Abdominal CT · axial plane, index 15
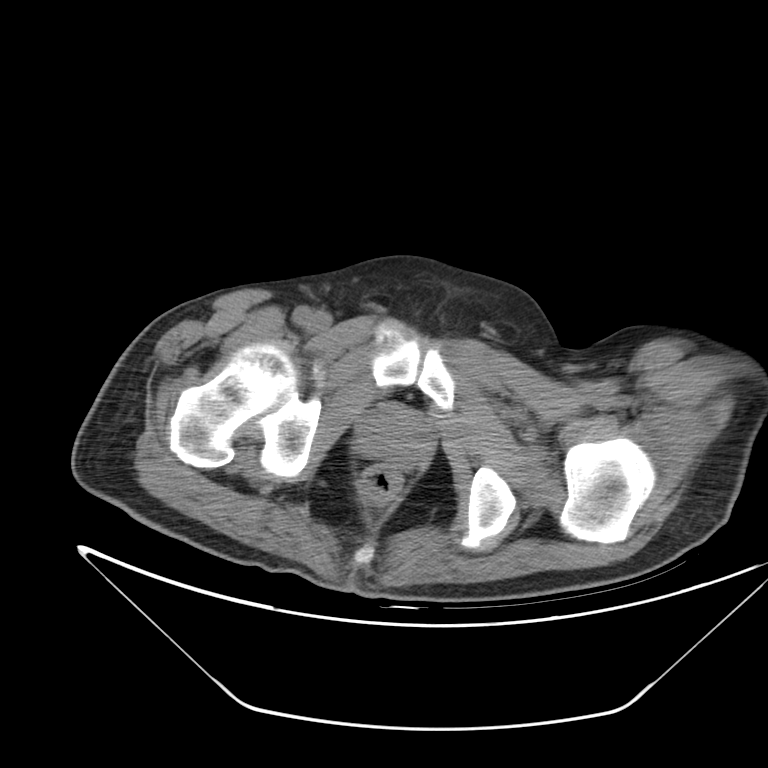
Box edges are left/top/right/bottom in pixels.
prostate/uterus: left=357, top=409, right=428, bottom=464